CT, abdomen/pelvis. Axial slice 150/225. W/L 400/40 HU
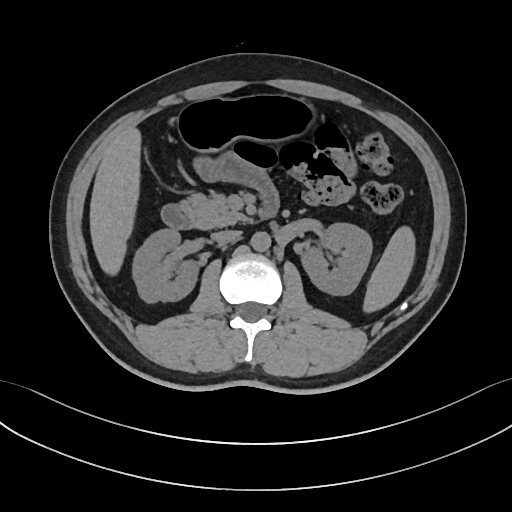 Coordinates as <box>x1,y1,x2,y2</box> in pixels.
stomach: <box>176,95,312,149</box>
liver: <box>90,128,139,272</box>
inferior vena cava: <box>211,230,240,244</box>
pancreas: <box>180,193,248,229</box>
spleen: <box>364,228,413,310</box>
duodenum: <box>161,191,280,228</box>
aorta: <box>251,231,270,251</box>
left kidney: <box>300,222,372,294</box>
right kidney: <box>132,228,197,302</box>